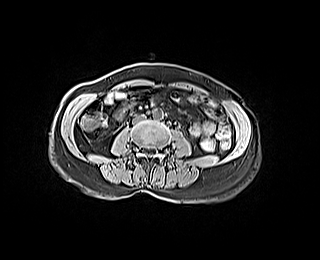 Abdominal MRI — axial view
Each box given as x1,y1,x2,y2.
Organ bounding boxes:
- aorta: x1=153, y1=109, x2=163, y2=119
- inferior vena cava: x1=133, y1=114, x2=145, y2=122